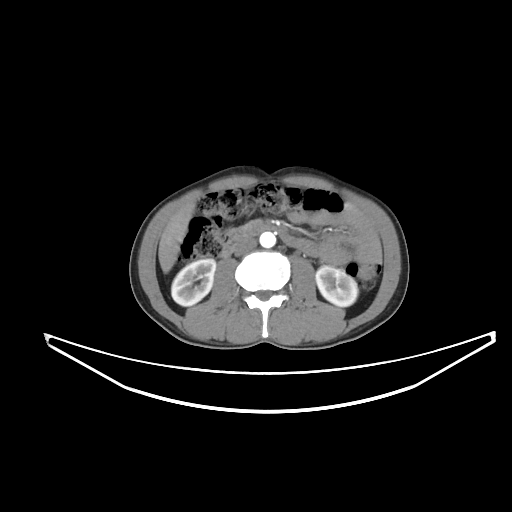 Abdominal CT; axial view; 512x512 px; Aquilion ONE scanner
Box edges are left/top/right/bottom in pixels.
right kidney: left=171, top=259, right=216, bottom=306
left kidney: left=315, top=266, right=358, bottom=306
liver: left=158, top=202, right=194, bottom=273
aorta: left=259, top=232, right=275, bottom=247
inferior vena cava: left=234, top=237, right=256, bottom=255
pancreas: left=244, top=218, right=262, bottom=226
duodenum: left=220, top=222, right=295, bottom=257